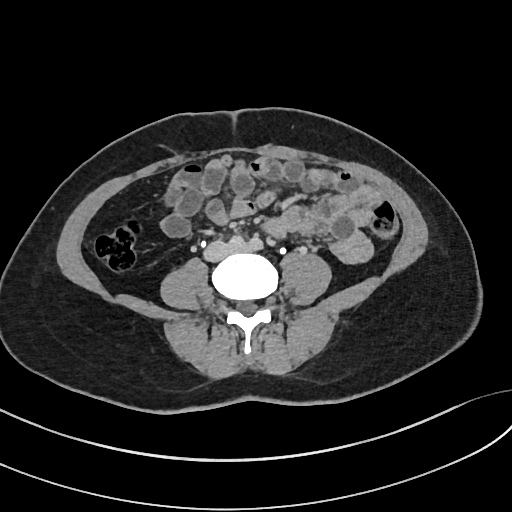
Abdominal CT; axial view; W/L 400/40 HU; scan has 15 labeled organs (counted over the whole 3D scan, not this slice; an organ is boxed only where this slice passes through it)
Bounding boxes as [x1, y1, x2, y2] in pixel coordinates.
Organ bounding boxes:
- inferior vena cava: [204, 240, 236, 261]